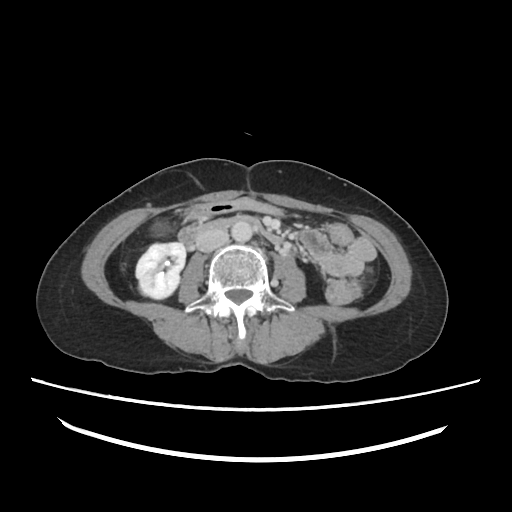 CT abdomen — axial plane, index 45 — acquired on Aquilion ONE
Each box given as x1,y1,x2,y2.
Organ bounding boxes:
- gall bladder: x1=153, y1=223, x2=164, y2=234
- duodenum: x1=178, y1=214, x2=281, y2=244
- aorta: x1=232, y1=221, x2=254, y2=241
- right kidney: x1=136, y1=242, x2=187, y2=299
- stomach: x1=187, y1=197, x2=285, y2=218
- inferior vena cava: x1=195, y1=229, x2=229, y2=251